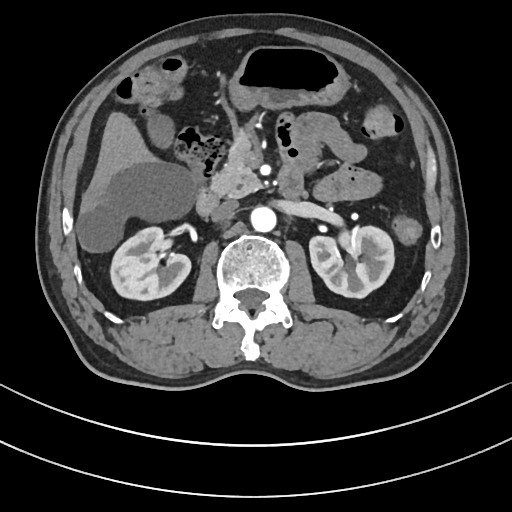
Computed tomography, abdomen; axial view; soft-tissue window (W 400 / L 40); SOMATOM Force scanner
<organs><organ name="right kidney" x1="110" y1="227" x2="191" y2="301"/><organ name="left kidney" x1="308" y1="227" x2="393" y2="298"/><organ name="gall bladder" x1="146" y1="111" x2="175" y2="217"/><organ name="liver" x1="78" y1="113" x2="195" y2="252"/><organ name="stomach" x1="226" y1="46" x2="349" y2="113"/><organ name="aorta" x1="251" y1="206" x2="277" y2="232"/><organ name="inferior vena cava" x1="210" y1="200" x2="238" y2="221"/><organ name="pancreas" x1="209" y1="127" x2="260" y2="198"/><organ name="duodenum" x1="196" y1="162" x2="303" y2="214"/></organs>